CT abdomen — axial plane, index 53
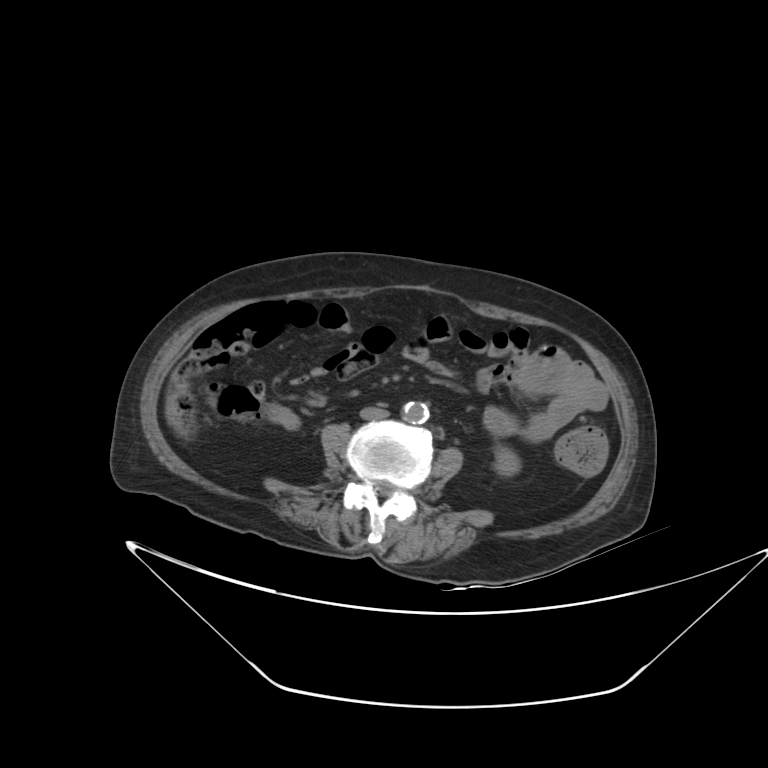
Boxes: x1:y1:x2:y2 in pixels.
Organ bounding boxes:
- left kidney: 495:447:520:475
- aorta: 403:401:429:423
- inferior vena cava: 360:408:388:419